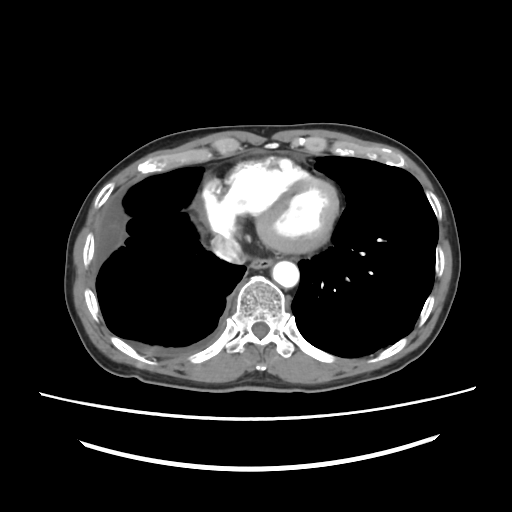 Lower-chest slice from an abdominal CT, just above the liver and spleen; axial view; soft-tissue window, W/L 400/40; 512x512 px
No part of the heart or lungs is labeled in this dataset, so neither has a box here.
Boxes: x1:y1:x2:y2 in pixels.
esophagus: 249:257:274:269
aorta: 272:261:299:288
inferior vena cava: 211:235:245:263